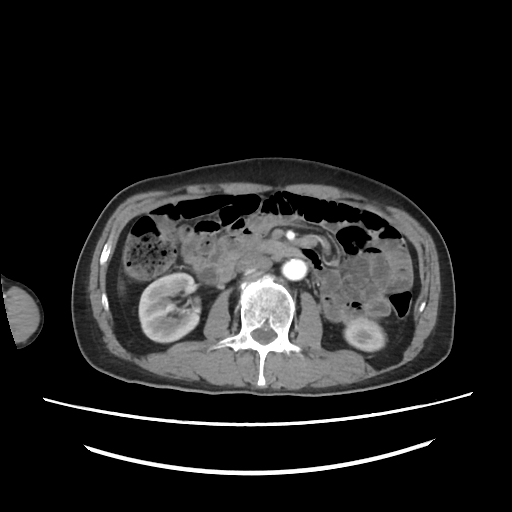
CT, abdomen/pelvis — axial plane, index 63 — 512x512 px — 61-year-old male patient
Boxes: x1:y1:x2:y2 in pixels.
Organ bounding boxes:
- aorta: 282:258:307:281
- right kidney: 139:273:199:342
- left kidney: 345:318:385:352
- liver: 118:284:123:289
- duodenum: 221:242:301:280
- inferior vena cava: 233:256:271:274